Magnetic resonance imaging, abdomen · coronal plane, index 89 · Prisma scanner
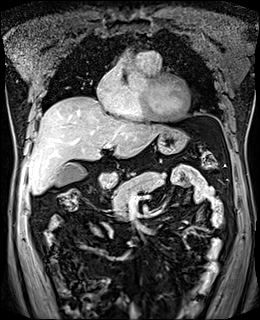

Boxes: x1 y1 x2 y2 (pixel coords, space-separated).
Organ bounding boxes:
- gall bladder: 55 162 85 186
- liver: 28 96 167 194
- stomach: 98 128 188 185
- pancreas: 112 171 165 219
- duodenum: 103 186 111 188